Computed tomography, abdomen — axial view — abdomen soft-tissue window — 512x512 px
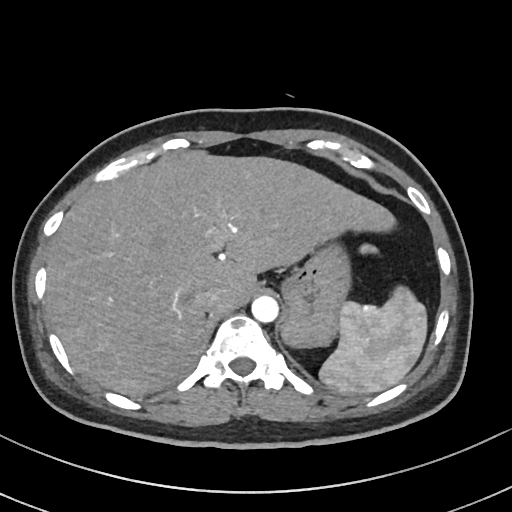 {"organs":{"aorta":[251,296,279,323],"stomach":[283,247,350,347],"spleen":[319,244,426,393],"inferior vena cava":[194,287,220,310],"liver":[46,150,395,396]}}